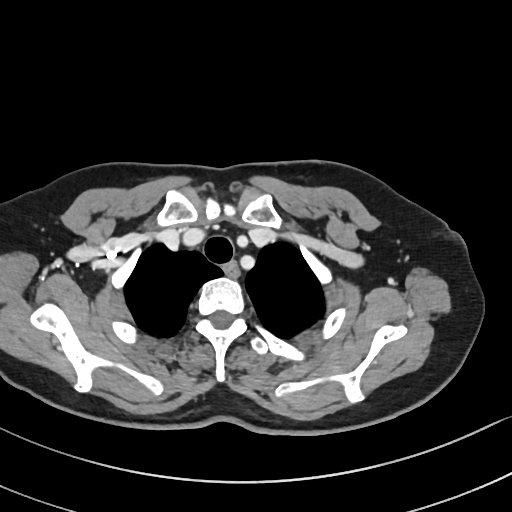

CT of the abdomen extending into the chest, slice through the chest · axial view · soft-tissue window, W/L 400/40
At this level of the chest this dataset labels only the esophagus and the aorta, and each is boxed only where it is labeled; the heart and lungs are never labeled.
One row per box, in pixels: columns x1 and y1 give the top-left corner, x2 and y2 the bottom-right.
| organ | x1 | y1 | x2 | y2 |
|---|---|---|---|---|
| esophagus | 223 | 261 | 238 | 275 |